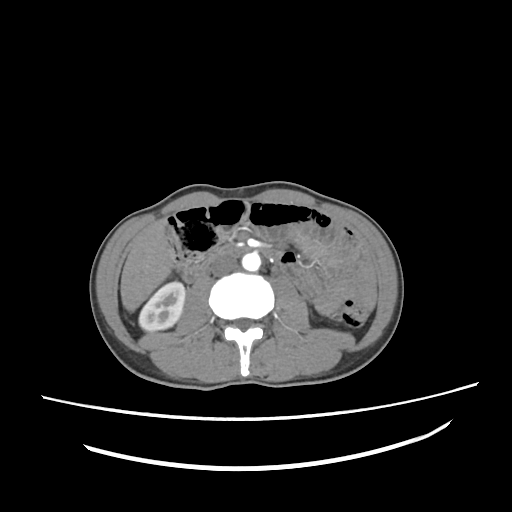 CT abdomen · Axial slice 56/133 · soft-tissue window (W 400 / L 40) · 512x512 px
Coordinates as <box>x1,y1,x2,y2</box> in pixels.
inferior vena cava: <box>210,256,237,276</box>
duodenum: <box>182,245,281,282</box>
aorta: <box>242,253,260,271</box>
liver: <box>120,222,170,311</box>
right kidney: <box>139,282,185,331</box>